Computed tomography, abdomen; axial view; 53-year-old male patient
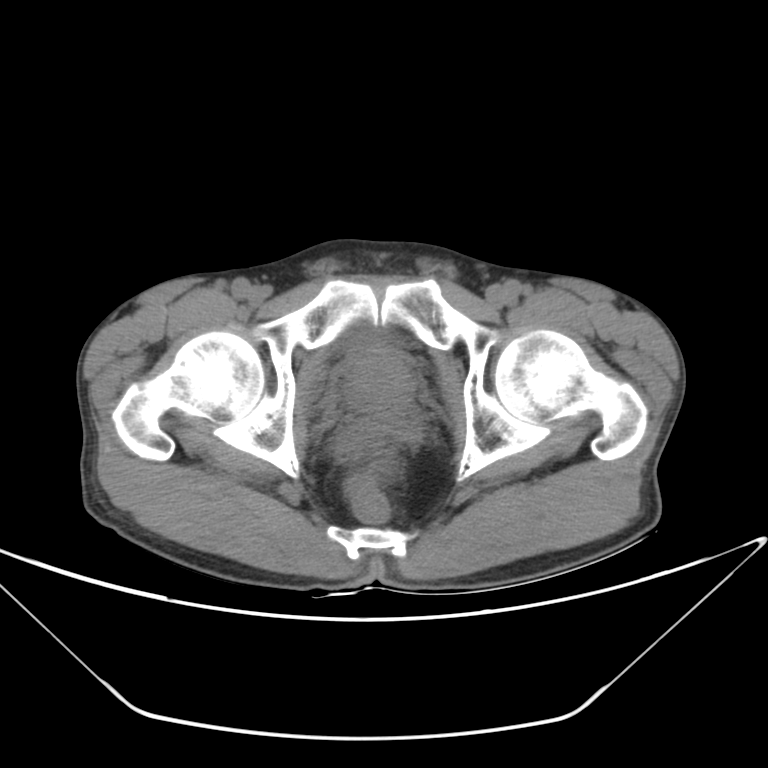
Boxes: x1:y1:x2:y2 in pixels. 2 labeled organs on this slice — prostate/uterus at 346:346:413:411; bladder at 346:329:385:350.